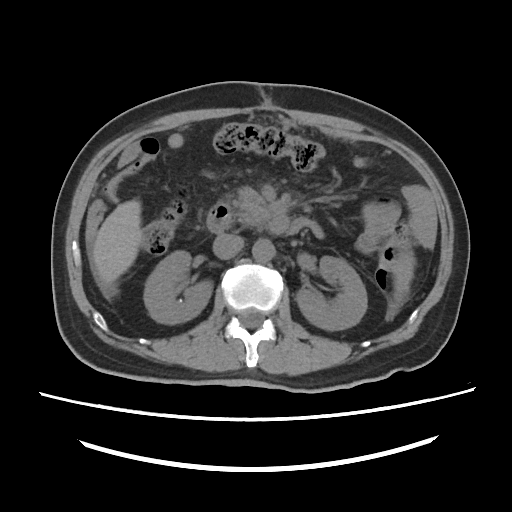
CT, abdomen/pelvis — axial plane, index 58 — 512x512 px — acquired on Aquilion ONE — scan has 14 labeled organs (counted over the whole 3D scan, not this slice; an organ is boxed only where this slice passes through it)
One row per box, in pixels: columns x1 and y1 give the top-left corner, x2 and y2 the bottom-right.
| organ | x1 | y1 | x2 | y2 |
|---|---|---|---|---|
| spleen | 393 | 255 | 414 | 303 |
| right kidney | 144 | 251 | 212 | 323 |
| left kidney | 296 | 256 | 367 | 330 |
| liver | 93 | 200 | 142 | 284 |
| aorta | 252 | 239 | 275 | 262 |
| inferior vena cava | 213 | 234 | 243 | 259 |
| pancreas | 234 | 187 | 271 | 228 |
| duodenum | 207 | 202 | 317 | 235 |